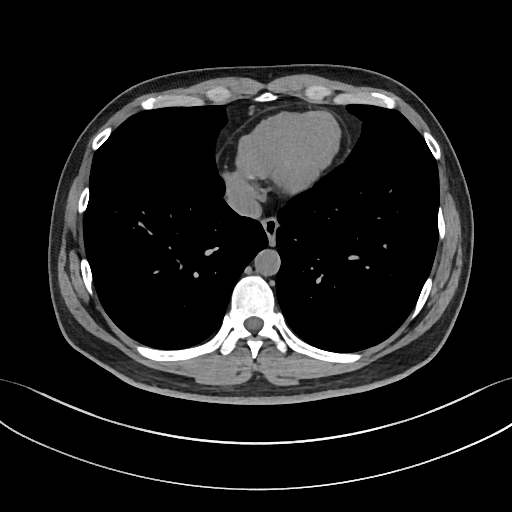

CT of the abdomen reaching into the lower chest, slice just above the liver and spleen. axial plane, index 223. soft-tissue window
No part of the heart or lungs is labeled in this dataset, so neither has a box here.
<organs><organ name="esophagus" x1="261" y1="217" x2="278" y2="244"/><organ name="aorta" x1="254" y1="249" x2="280" y2="275"/><organ name="inferior vena cava" x1="226" y1="182" x2="262" y2="218"/></organs>